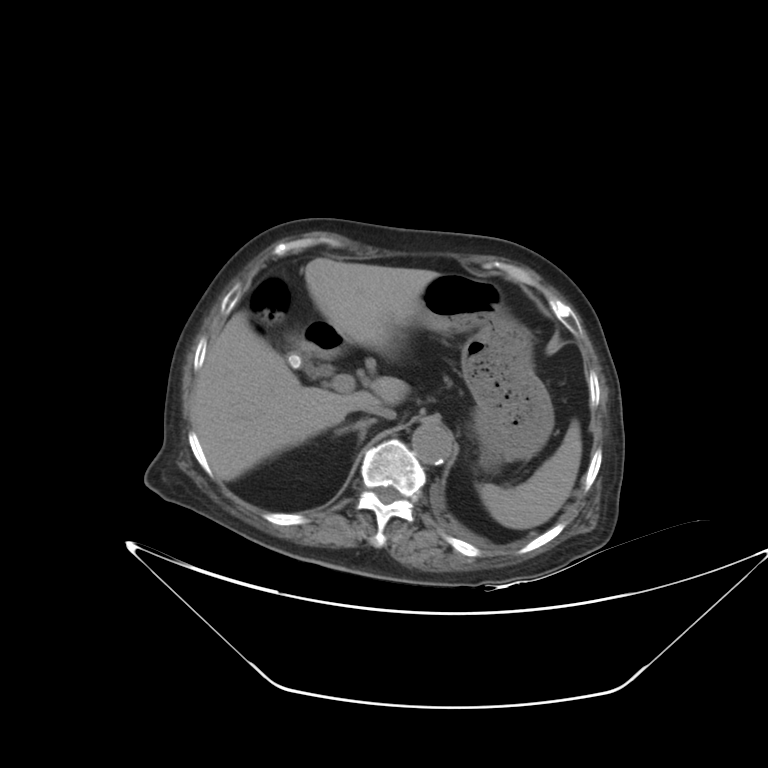
Computed tomography, abdomen · axial view · 768x768 px · 15 organs annotated in this scan (that count is for the whole scan; organs this slice misses have no box)
<organs><organ name="inferior vena cava" x1="362" y1="403" x2="395" y2="418"/><organ name="stomach" x1="411" y1="274" x2="554" y2="470"/><organ name="right adrenal gland" x1="334" y1="418" x2="376" y2="445"/><organ name="aorta" x1="412" y1="424" x2="452" y2="464"/><organ name="spleen" x1="478" y1="420" x2="581" y2="528"/><organ name="liver" x1="190" y1="258" x2="438" y2="481"/><organ name="gall bladder" x1="288" y1="352" x2="316" y2="373"/><organ name="duodenum" x1="304" y1="320" x2="345" y2="359"/></organs>